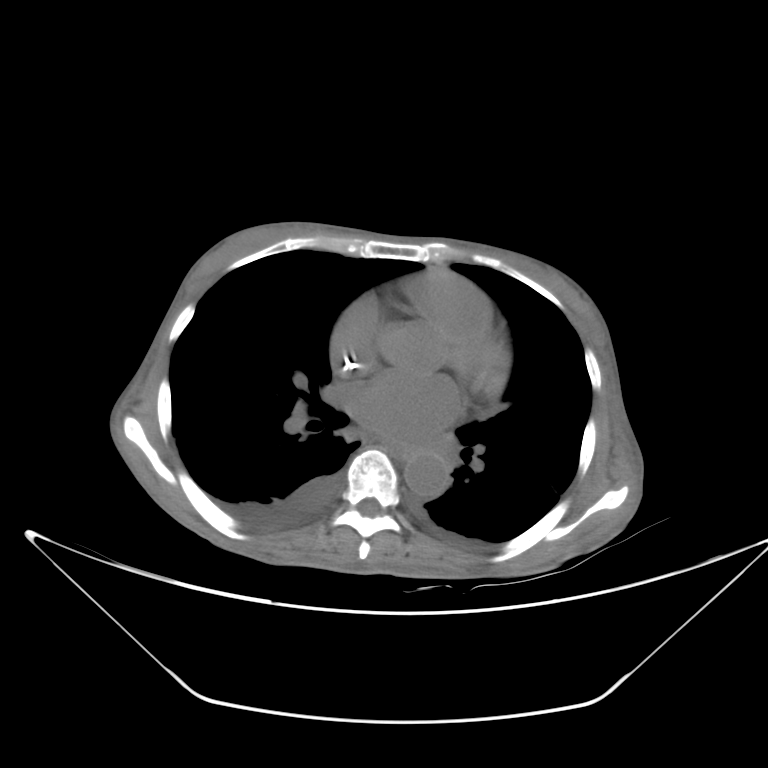
Abdominal CT; this slice is in the lower chest, just above the liver · Axial slice 105/105
The heart and lungs are never labeled in this dataset, so they have no box on this slice. Box edges are left/top/right/bottom in pixels. 2 labeled organs on this slice — esophagus at left=382, top=440, right=410, bottom=461; aorta at left=403, top=454, right=450, bottom=498.